Computed tomography, abdomen · axial view · 68-year-old male patient · scan has 15 labeled organs (a whole-scan count: organs this slice does not pass through have no box)
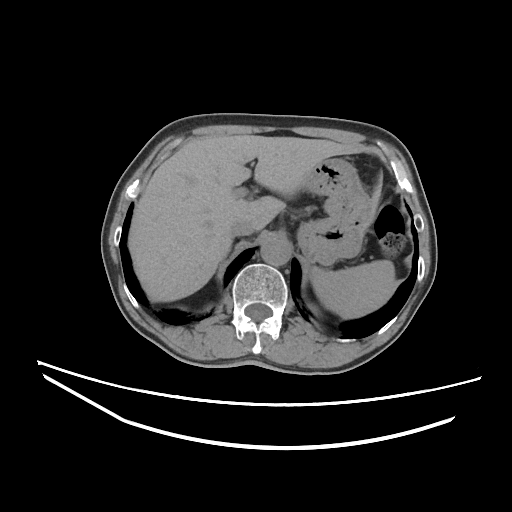 Coordinates as <box>x1,y1,x2,y2</box> in pixels.
spleen: <box>311,260,397,318</box>
liver: <box>128,135,380,301</box>
stomach: <box>297,158,375,265</box>
aorta: <box>261,238,291,266</box>
inferior vena cava: <box>229,220,255,236</box>